Abdominal CT reaching into the chest; this slice is in the chest · axial view · acquired on Aquilion ONE · 15 organs annotated in this scan (that count is for the whole scan; organs this slice misses have no box)
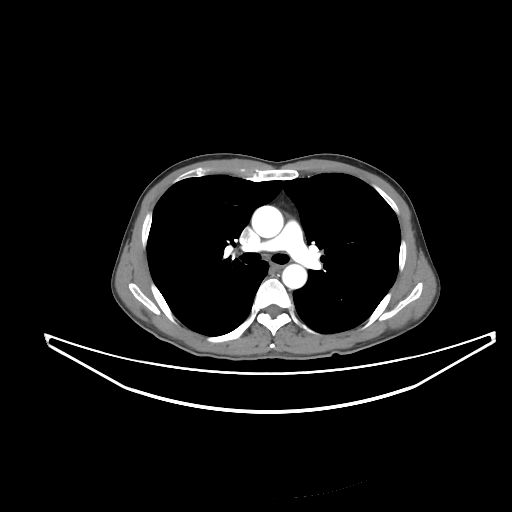

At this level of the chest this dataset labels only the esophagus and the aorta, and each is boxed only where it is labeled; the heart and lungs are never labeled.
<organs><organ name="aorta" x1="251" y1="205" x2="283" y2="237"/><organ name="aorta" x1="282" y1="264" x2="306" y2="288"/><organ name="esophagus" x1="271" y1="263" x2="279" y2="268"/></organs>